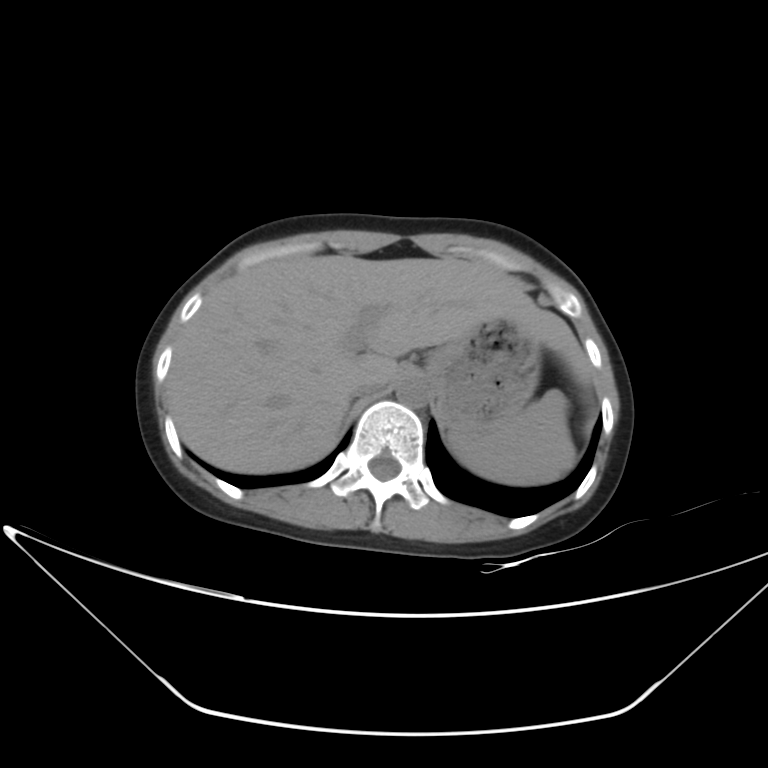

Computed tomography, abdomen. axial view. 768x768 px. scan has 15 labeled organs (counted over the whole 3D scan, not this slice; an organ is boxed only where this slice passes through it)
<organs><organ name="liver" x1="166" y1="255" x2="591" y2="474"/><organ name="spleen" x1="449" y1="389" x2="576" y2="485"/><organ name="aorta" x1="395" y1="376" x2="428" y2="407"/><organ name="inferior vena cava" x1="348" y1="383" x2="376" y2="398"/><organ name="stomach" x1="424" y1="321" x2="541" y2="434"/></organs>